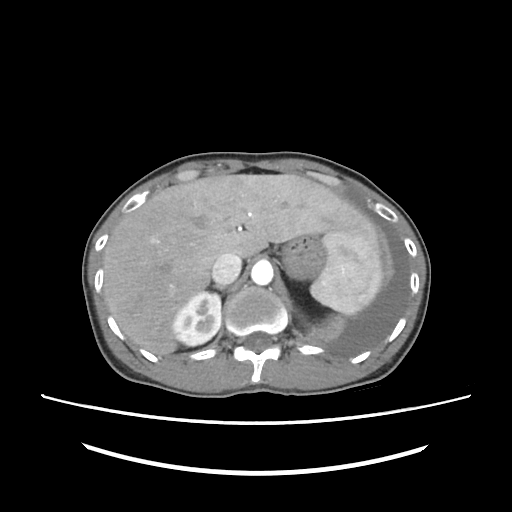 Abdominal CT; axial plane, index 68; 512x512 px
One row per box, in pixels: columns x1 and y1 give the top-left corner, x2 and y2 the bottom-right.
| organ | x1 | y1 | x2 | y2 |
|---|---|---|---|---|
| spleen | 310 | 232 | 383 | 315 |
| right kidney | 172 | 291 | 221 | 346 |
| liver | 103 | 174 | 380 | 355 |
| stomach | 283 | 235 | 325 | 279 |
| aorta | 251 | 260 | 273 | 285 |
| inferior vena cava | 211 | 253 | 241 | 285 |
| right adrenal gland | 212 | 284 | 226 | 291 |